CT abdomen — axial plane, index 57
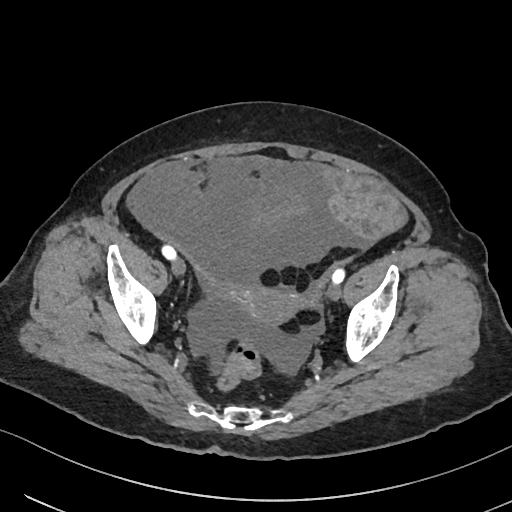

Boxes: x1 y1 x2 y2 (pixel coords, space-separated). The annotated organs in this slice are: prostate/uterus at 238 288 300 323.